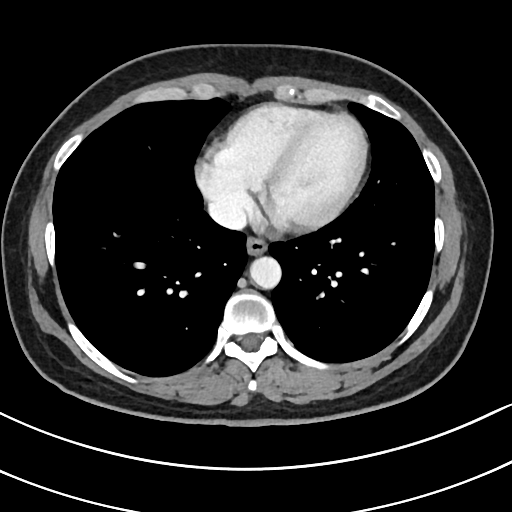 Lower-chest slice from an abdominal CT, just above the liver and spleen. axial view. soft-tissue window, W/L 400/40
The heart and lungs are never labeled in this dataset, so they have no box on this slice. Boxes: x1 y1 x2 y2 (pixel coords, space-separated). The annotated organs in this slice are: esophagus at 246 237 267 255, aorta at 249 256 281 289, inferior vena cava at 208 201 246 229.